Abdominal CT — Axial slice 136/302 — soft-tissue window (W 400 / L 40) — acquired on SOMATOM Force — 15 organs annotated in this scan (counted over the whole 3D scan, not this slice; an organ is boxed only where this slice passes through it)
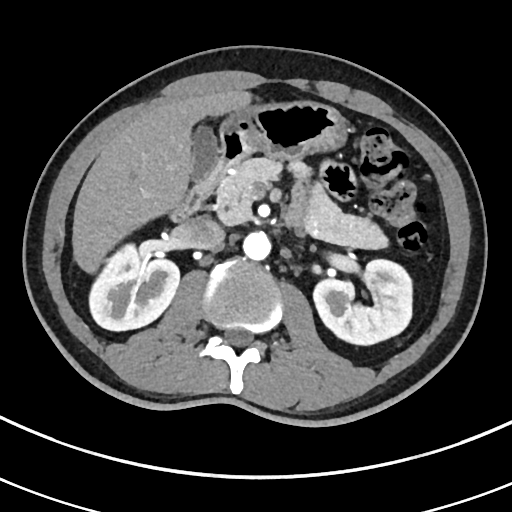 {"organs":{"right kidney":[91,245,179,331],"left kidney":[312,260,411,345],"gall bladder":[193,128,218,179],"liver":[71,88,252,275],"stomach":[220,102,349,160],"aorta":[243,232,270,261],"inferior vena cava":[181,216,225,249],"pancreas":[219,157,388,248],"duodenum":[171,128,249,220]}}